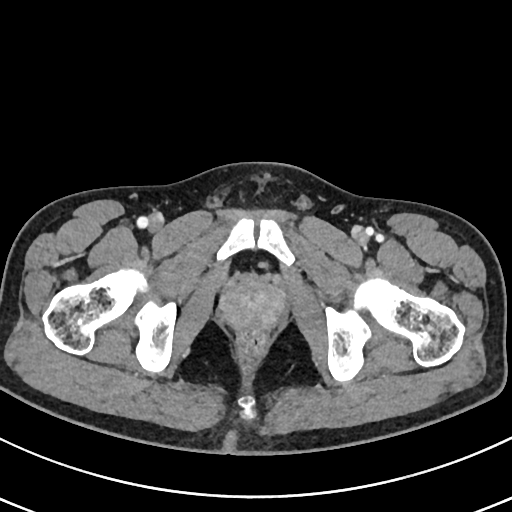
CT abdomen; axial view; soft-tissue window (W 400 / L 40); acquired on SOMATOM Force; 15 organs annotated in this scan (counted over the whole 3D scan, not this slice; an organ is boxed only where this slice passes through it)
{"organs":{"prostate/uterus":[223,282,281,326]}}